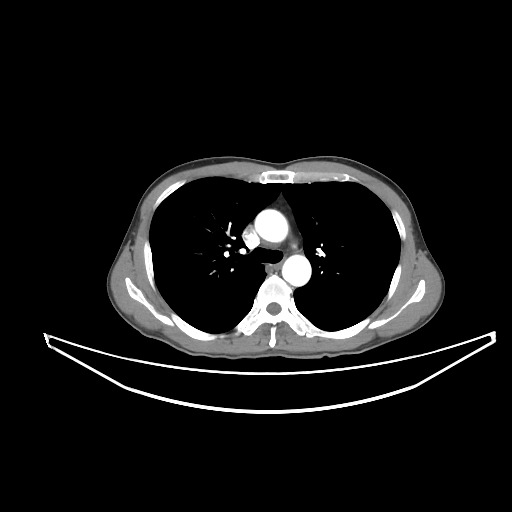
CT of the abdomen extending into the chest, slice through the chest · axial plane, index 111 · 512x512 px · 52-year-old male patient · Aquilion ONE scanner
At this level of the chest this dataset labels only the esophagus and the aorta, and each is boxed only where it is labeled; the heart and lungs are never labeled.
{"organs":{"esophagus":[274,261,282,270],"aorta":[[254,209,288,242],[282,255,311,286]]}}